Abdominal CT. axial view. soft-tissue window
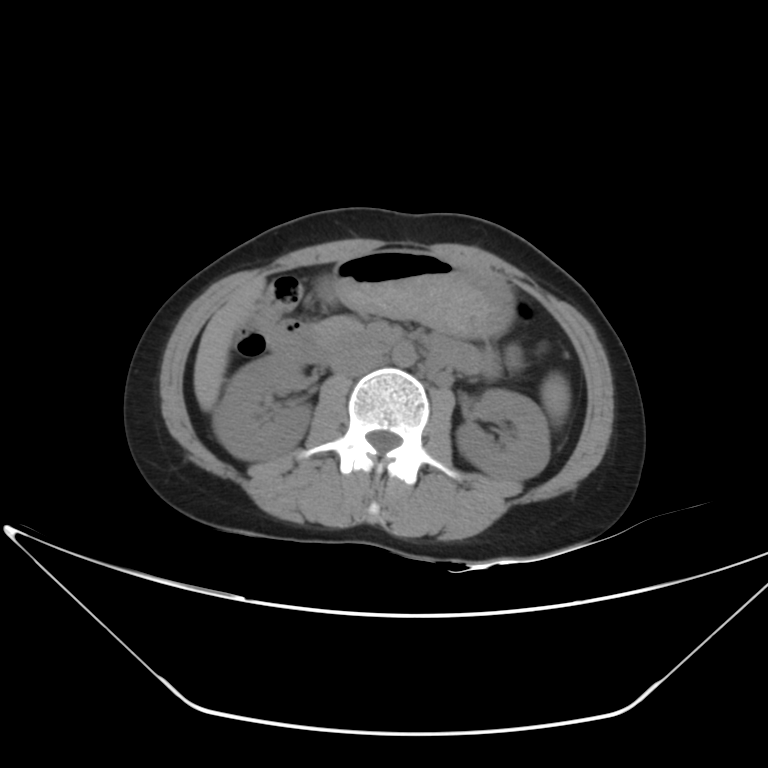
Each box given as x1,y1,x2,y2.
spleen: x1=541, y1=373, x2=570, y2=423
right kidney: x1=212, y1=354, x2=310, y2=460
left kidney: x1=457, y1=389, x2=549, y2=480
liver: x1=194, y1=276, x2=265, y2=410
stomach: x1=318, y1=249, x2=515, y2=338
aorta: x1=392, y1=344, x2=416, y2=367
inferior vena cava: x1=331, y1=349, x2=382, y2=376
pancreas: x1=315, y1=317, x2=361, y2=341
duodenum: x1=267, y1=319, x2=394, y2=364